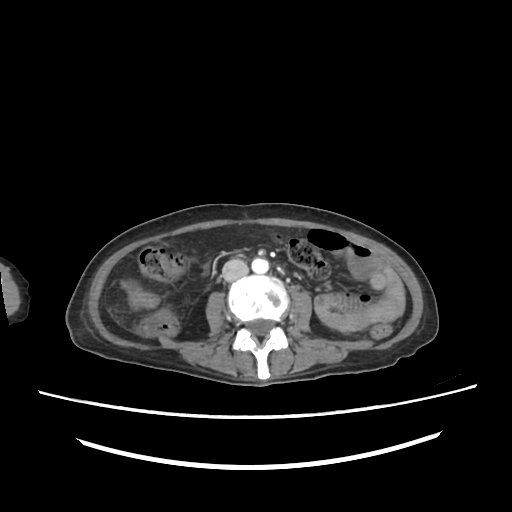 Computed tomography, abdomen — axial view — 512x512 px — 48-year-old female patient
Each box given as x1,y1,x2,y2. The annotated organs in this slice are: aorta at x1=252, y1=258, x2=268, y2=273, inferior vena cava at x1=222, y1=259, x2=248, y2=281.